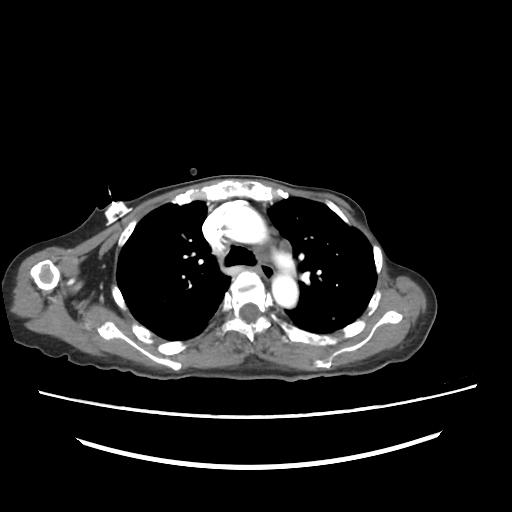 Abdominal CT; this slice is in the lower chest, just above the liver. axial view. W/L 400/40 HU
No part of the heart or lungs is labeled in this dataset, so neither has a box here. Bounding boxes as [x1, y1, x2, y2] in pixel coordinates. The annotated organs in this slice are: esophagus at [258, 263, 273, 277], aorta at [224, 204, 268, 243], aorta at [272, 274, 298, 307].